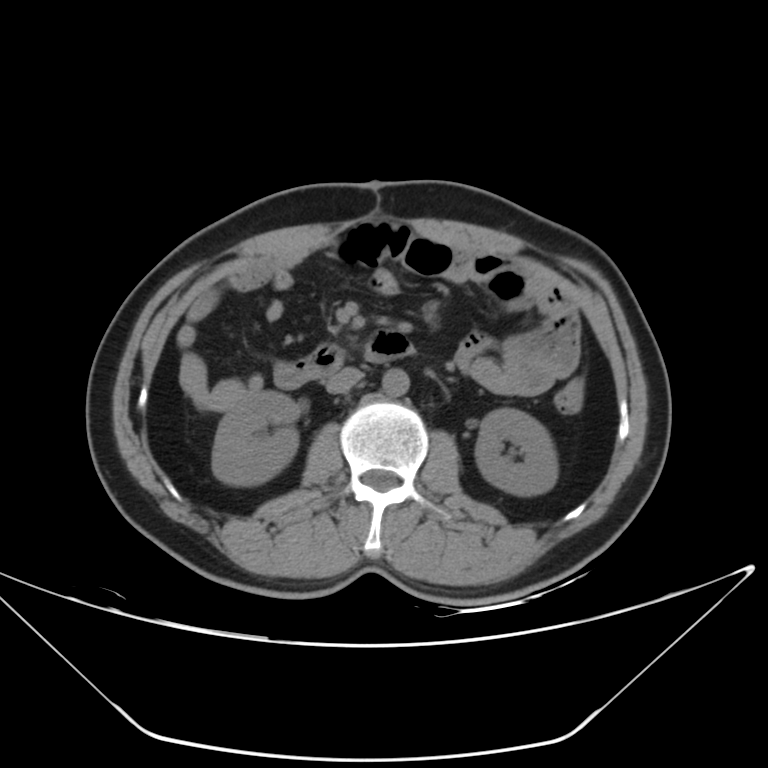
Computed tomography, abdomen; axial view; scan has 15 labeled organs (counted over the whole 3D scan, not this slice; an organ is boxed only where this slice passes through it)
Boxes: x1 y1 x2 y2 (pixel coords, space-separated).
Organ bounding boxes:
- right kidney: 212 391 298 485
- left kidney: 475 408 558 495
- aorta: 382 368 409 396
- inferior vena cava: 326 367 362 393
- duodenum: 273 330 414 389